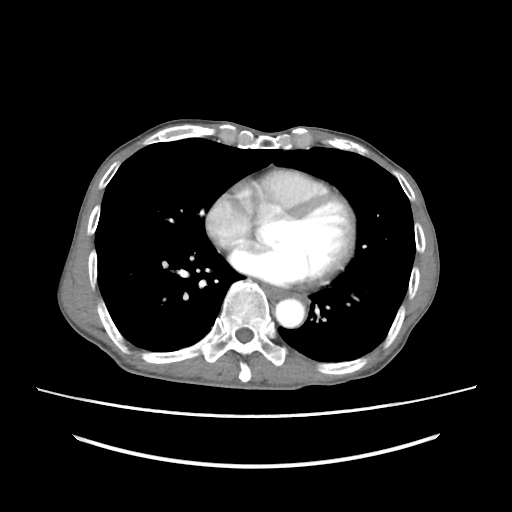

Lower-chest slice from an abdominal CT, just above the liver and spleen — Axial slice 89/126 — 62-year-old male patient
Of the structures in the chest, this dataset labels only the esophagus, the aorta and the inferior vena cava; the heart and lungs have no label.
{"organs":{"aorta":[275,298,305,327],"esophagus":[264,285,289,298]}}